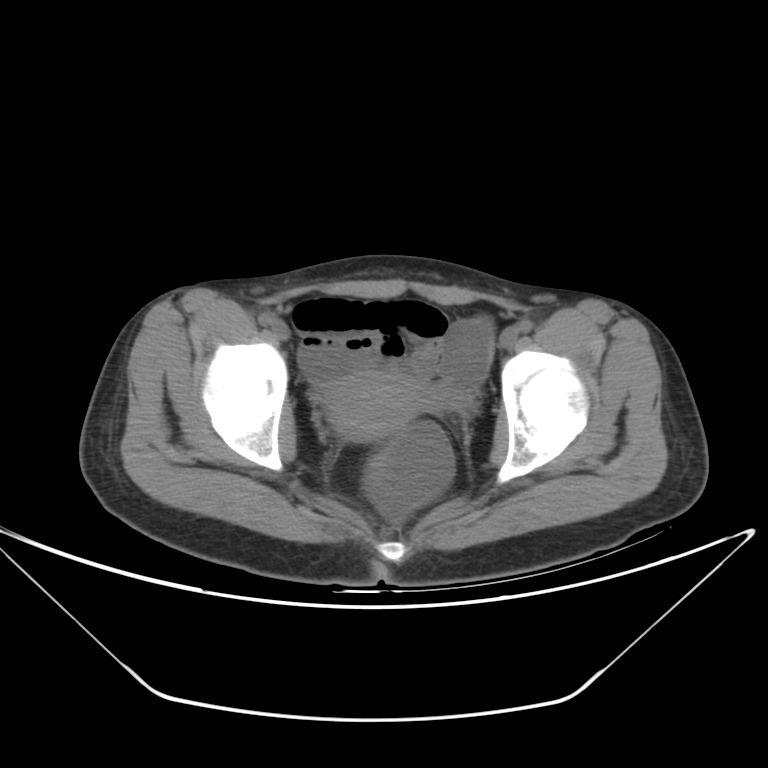

CT, abdomen/pelvis; axial view; W/L 400/40 HU; 32-year-old female patient
One row per box, in pixels: columns x1 and y1 give the top-left corner, x2 and y2 the bottom-right.
| organ | x1 | y1 | x2 | y2 |
|---|---|---|---|---|
| prostate/uterus | 324 | 371 | 425 | 441 |